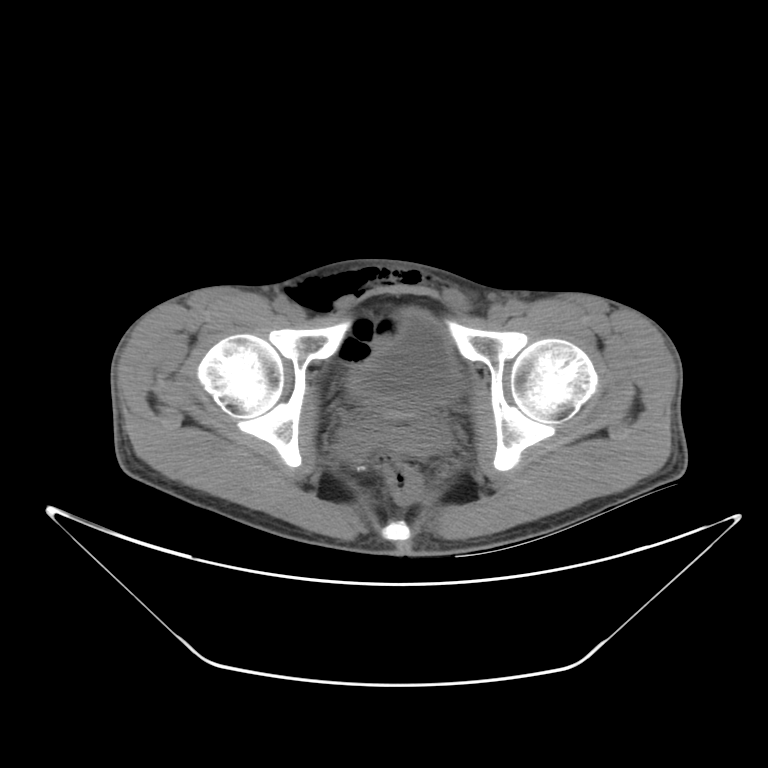
CT abdomen — axial view — soft-tissue window (W 400 / L 40)
{"organs":{"bladder":[355,309,456,404]}}